CT of the abdomen reaching into the lower chest, slice just above the liver and spleen · axial view · 14 organs annotated in this scan (a whole-scan count: organs this slice does not pass through have no box)
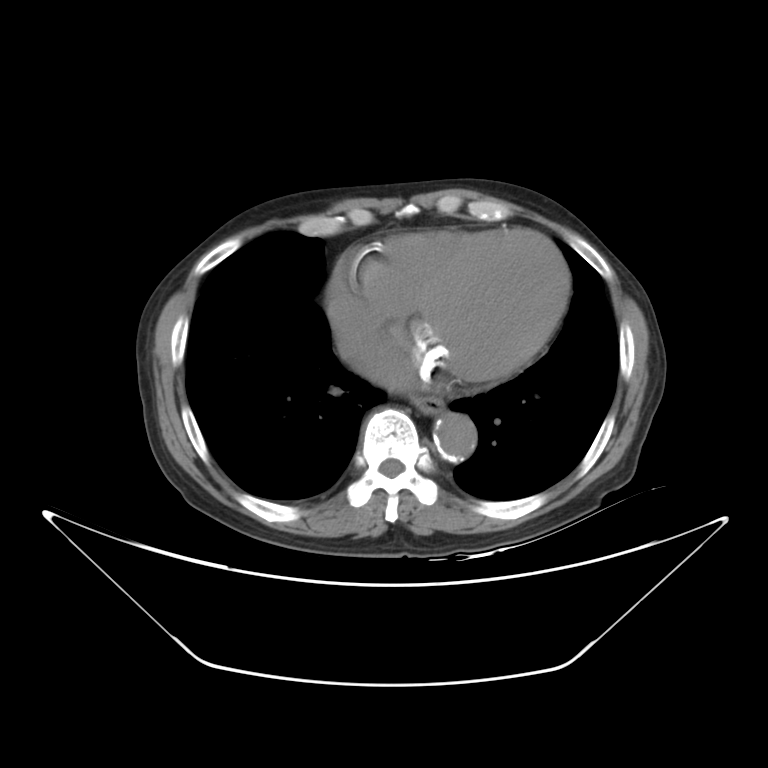

Of the structures in the chest, this dataset labels only the esophagus, the aorta and the inferior vena cava; the heart and lungs have no label. Coordinates as <box>x1,y1,x2,y2</box> in pixels. Labeled organs on this slice: esophagus at <box>410,395,445,415</box>, aorta at <box>434,413,476,461</box>, inferior vena cava at <box>338,338,358,359</box>.